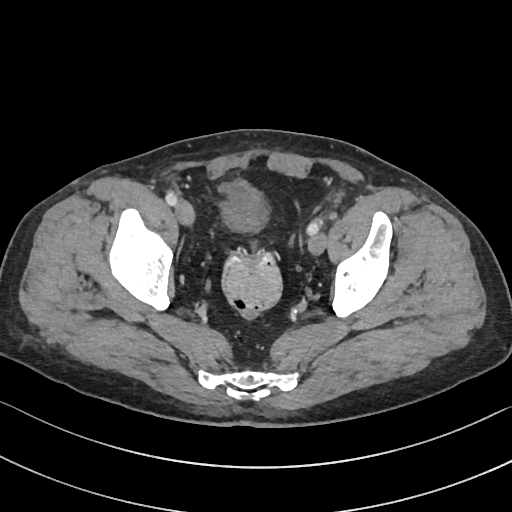
Abdominal CT — Axial slice 58/221 — soft-tissue window (W 400 / L 40)
{"organs":{"bladder":[218,180,270,233]}}